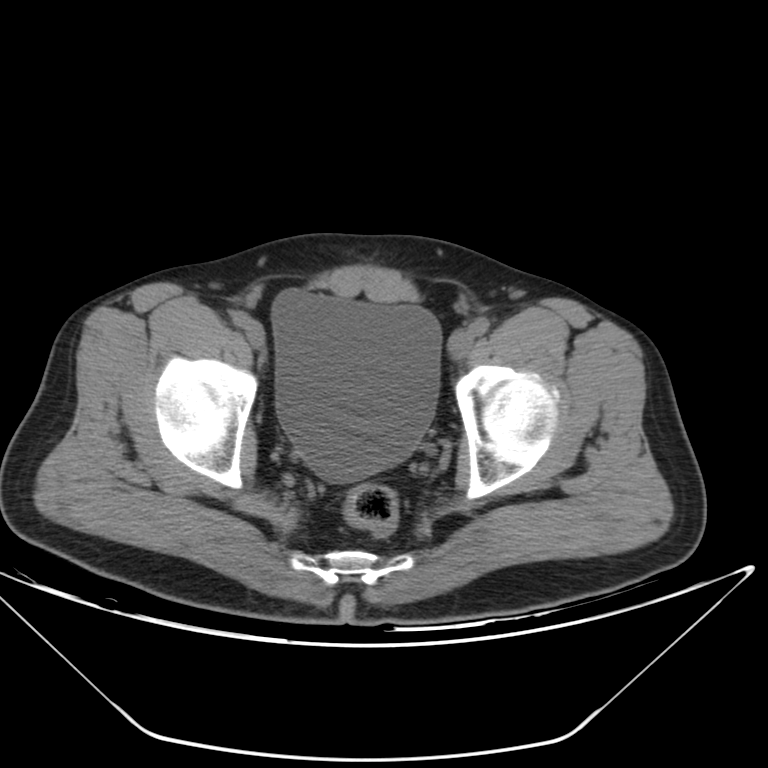 Abdominal CT; axial view; abdomen soft-tissue window; 768x768 px; acquired on Brilliance16; 15 organs annotated in this scan (a whole-scan count: organs this slice does not pass through have no box)
{"organs":{"bladder":[272,289,441,482]}}